Abdominal CT — Axial slice 13/124 — abdomen soft-tissue window — 512x512 px
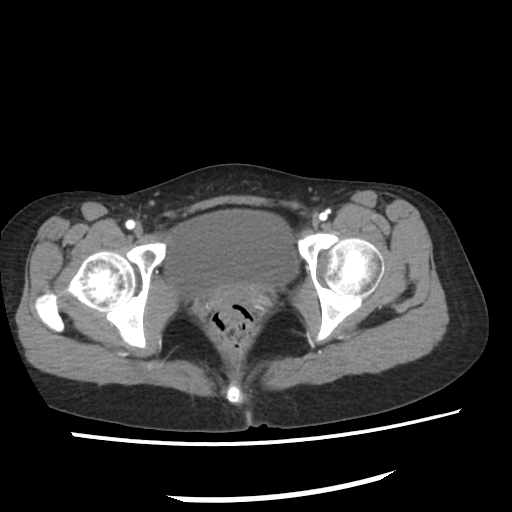

Organ boxes in pixel coordinates; each row gives the top-left (x1, y1) and bottom-right (x2, y2) corners.
| organ | x1 | y1 | x2 | y2 |
|---|---|---|---|---|
| bladder | 165 | 211 | 294 | 293 |